CT, abdomen/pelvis · axial plane, index 40 · 512x512 px · scan has 15 labeled organs (that count is for the whole scan; organs this slice misses have no box)
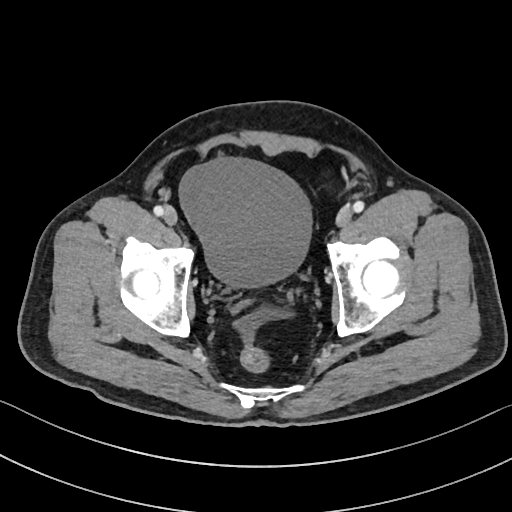

Coordinates as <box>x1,y1,x2,y2</box> in pixels. Labeled organs on this slice: bladder at <box>178,157,310,287</box>.